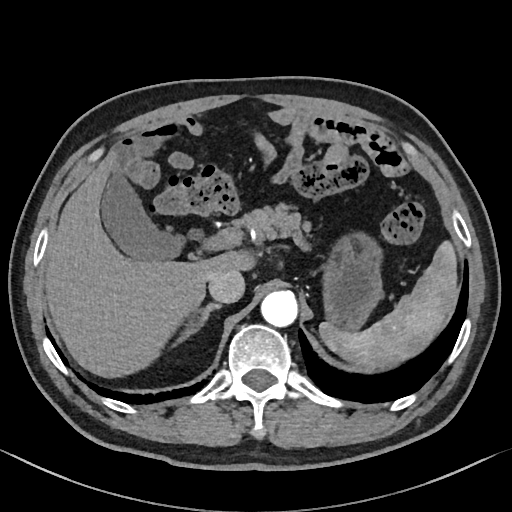
Abdominal CT — axial view — 512x512 px — scan has 15 labeled organs (counted over the whole 3D scan, not this slice; an organ is boxed only where this slice passes through it)
Box edges are left/top/right/bottom in pixels.
aorta: left=260, top=290, right=298, bottom=327
pancreas: left=231, top=203, right=311, bottom=243
inferior vena cava: left=208, top=269, right=244, bottom=303
liver: left=44, top=151, right=254, bottom=377
stomach: left=321, top=232, right=383, bottom=330
right adrenal gland: left=179, top=303, right=221, bottom=340
gall bladder: left=101, top=166, right=183, bottom=259
spleen: left=319, top=241, right=457, bottom=369